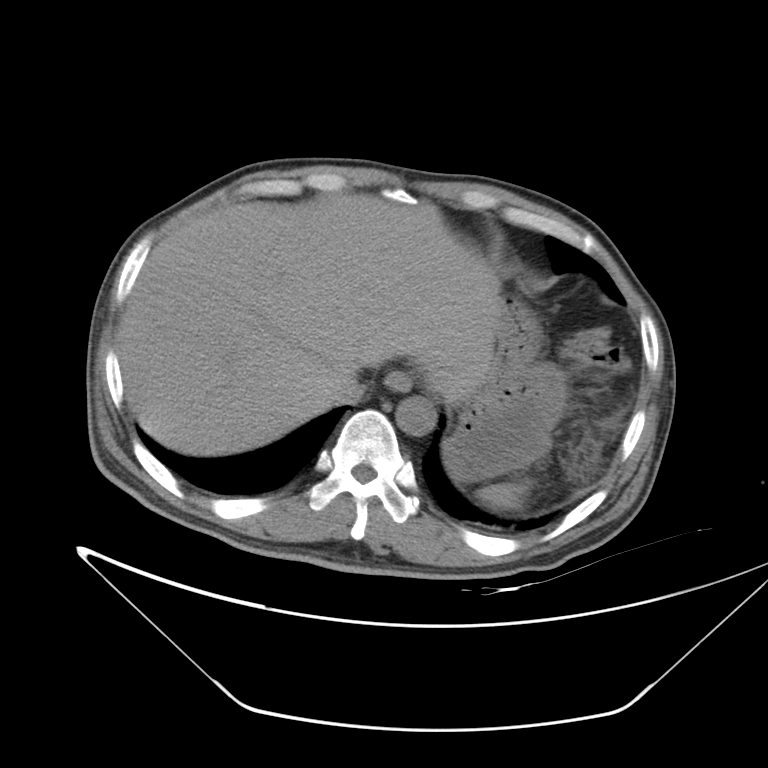
CT, abdomen/pelvis — axial view
Boxes: x1:y1:x2:y2 in pixels.
Organ bounding boxes:
- spleen: 476:483:527:510
- esophagus: 386:373:410:390
- liver: 118:193:502:456
- stomach: 444:295:567:482
- aorta: 395:397:436:436
- inferior vena cava: 328:375:365:404